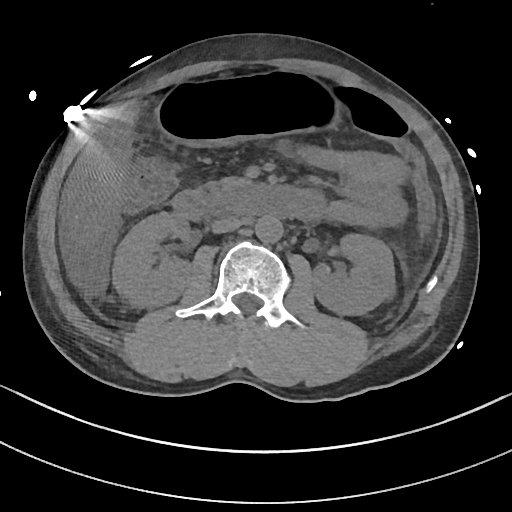 CT, abdomen/pelvis · Axial slice 151/252 · W/L 400/40 HU · 512x512 px
Bounding boxes in pixels, one row per box: x1, y1 is the top-left corner and x2, y2 the bottom-right.
| organ | x1 | y1 | x2 | y2 |
|---|---|---|---|---|
| right kidney | 112 | 212 | 191 | 308 |
| left kidney | 311 | 233 | 395 | 315 |
| liver | 65 | 106 | 136 | 247 |
| stomach | 154 | 72 | 342 | 146 |
| aorta | 255 | 215 | 283 | 243 |
| inferior vena cava | 211 | 217 | 243 | 233 |
| pancreas | 206 | 178 | 247 | 206 |
| duodenum | 171 | 182 | 323 | 221 |